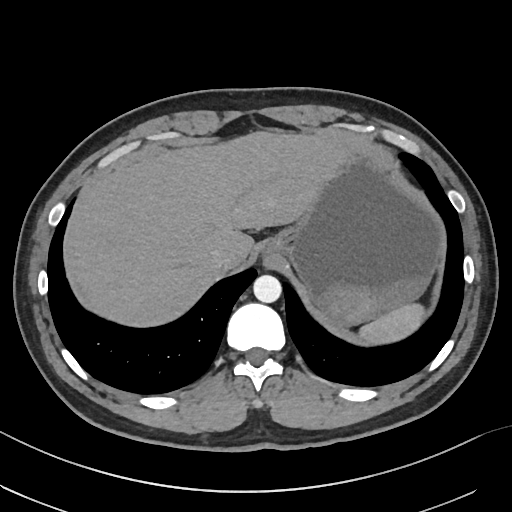

CT abdomen. axial plane, index 186. 512x512 px. 15 organs annotated in this scan (a whole-scan count: organs this slice does not pass through have no box)
{"organs":{"inferior vena cava":[212,249,239,272],"liver":[71,132,346,326],"stomach":[265,142,444,327],"aorta":[253,275,281,302],"spleen":[358,304,425,344]}}